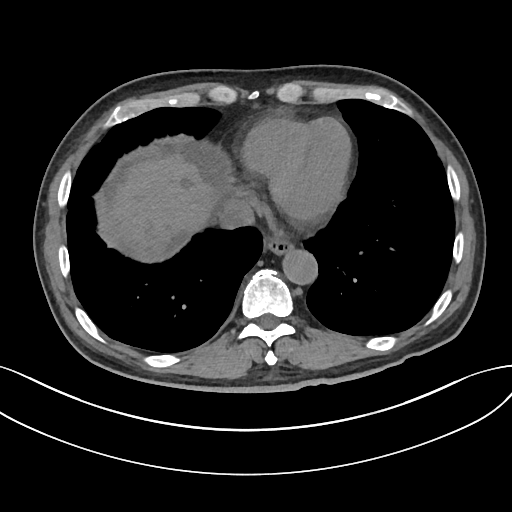
CT abdomen · axial view · 15 organs annotated in this scan (that count is for the whole scan; organs this slice misses have no box)
Box edges are left/top/right/bottom in pixels.
Organ bounding boxes:
- aorta: left=283, top=251, right=318, bottom=285
- liver: left=111, top=144, right=230, bottom=259
- inferior vena cava: left=220, top=197, right=254, bottom=229
- esophagus: left=267, top=239, right=294, bottom=255